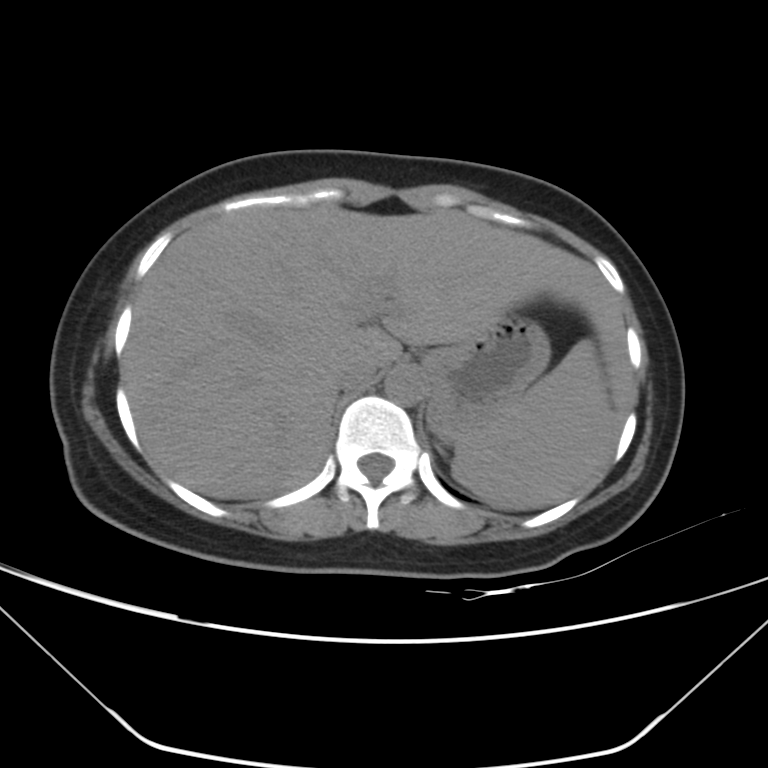 Abdominal CT; axial view; soft-tissue window; 768x768 px; acquired on Brilliance16
<organs><organ name="aorta" x1="384" y1="365" x2="425" y2="405"/><organ name="stomach" x1="421" y1="310" x2="550" y2="435"/><organ name="inferior vena cava" x1="335" y1="357" x2="378" y2="390"/><organ name="spleen" x1="452" y1="340" x2="618" y2="508"/><organ name="liver" x1="123" y1="205" x2="632" y2="498"/></organs>